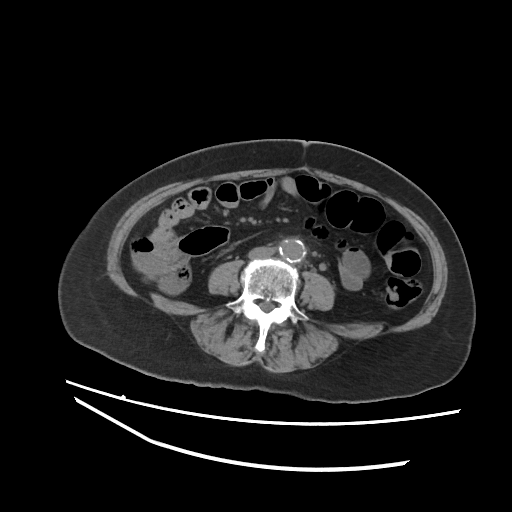

CT abdomen — axial view — soft-tissue window (W 400 / L 40) — 57-year-old female patient — 15 organs annotated in this scan (counted over the whole 3D scan, not this slice; an organ is boxed only where this slice passes through it)
Boxes: x1 y1 x2 y2 (pixel coords, space-separated).
aorta: 279 239 305 261
inferior vena cava: 249 247 274 258